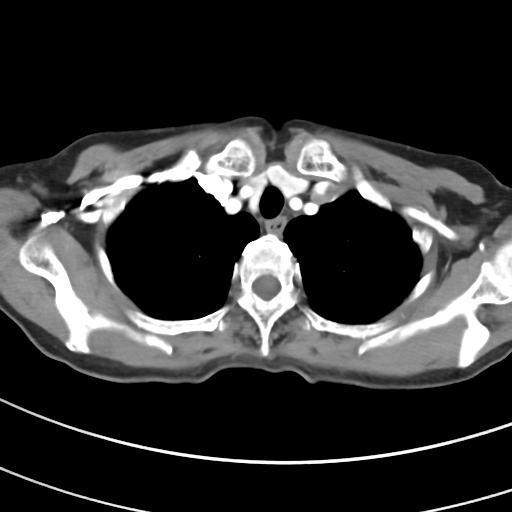

Chest-level CT slice, above the liver and spleen. axial plane, index 111. 15 organs annotated in this scan (a whole-scan count: organs this slice does not pass through have no box)
At this level of the chest no structure but the esophagus and the aorta has a label in this dataset, and those two are boxed only where they are labeled.
Coordinates as <box>x1,y1,x2,y2</box> in pixels.
Organ bounding boxes:
- esophagus: <box>267,217,285,234</box>